Lower-chest slice from an abdominal CT, just above the liver and spleen — axial view — 512x512 px
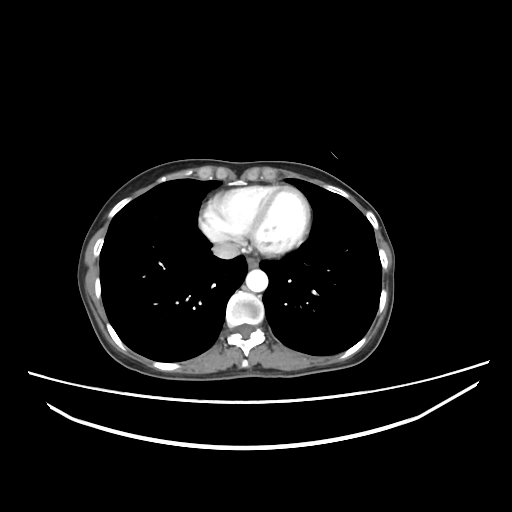 The heart and lungs are never labeled in this dataset, so they have no box on this slice.
Each box given as x1,y1,x2,y2.
Organ bounding boxes:
- esophagus: x1=247, y1=257, x2=258, y2=268
- aorta: x1=245, y1=269, x2=268, y2=292
- inferior vena cava: x1=212, y1=242, x2=239, y2=259